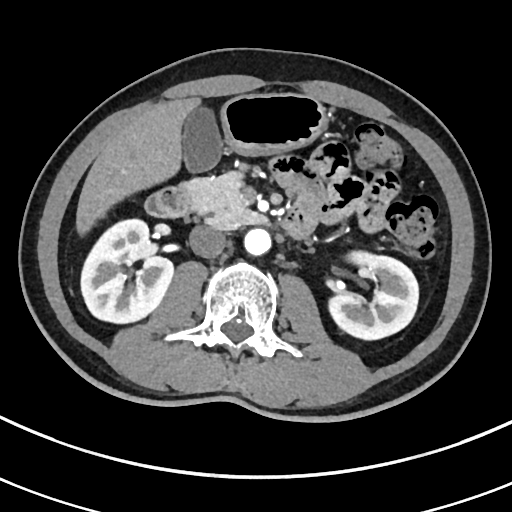
CT, abdomen/pelvis. axial view. soft-tissue window
Boxes: x1 y1 x2 y2 (pixel coords, space-separated). 9 labeled organs on this slice — right kidney at 81 220 174 324; left kidney at 325 251 418 340; gall bladder at 184 109 222 173; liver at 75 96 203 231; stomach at 219 93 330 155; aorta at 243 229 270 255; inferior vena cava at 188 225 225 256; pancreas at 183 164 261 229; duodenum at 146 186 310 237.